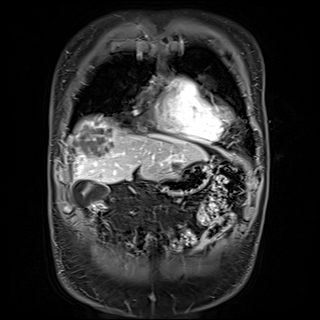 Abdominal MR; coronal acquisition; Prisma scanner
Boxes: x1:y1:x2:y2 in pixels. 3 labeled organs on this slice — gall bladder at 71:179:95:204; liver at 66:116:207:184; stomach at 157:163:211:194.